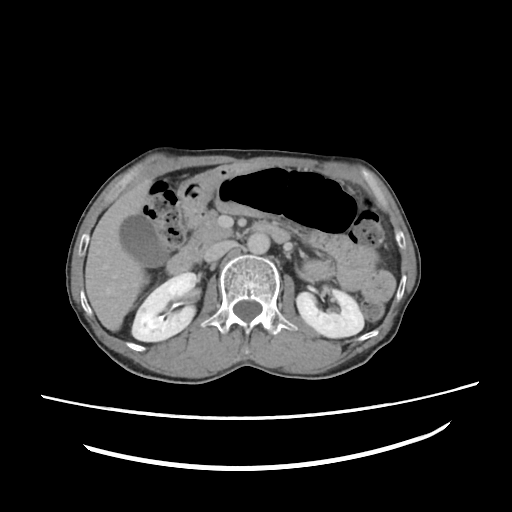
Computed tomography, abdomen. axial view. scan has 15 labeled organs (that count is for the whole scan; organs this slice misses have no box)
<organs><organ name="right kidney" x1="132" y1="273" x2="196" y2="341"/><organ name="left kidney" x1="297" y1="288" x2="363" y2="337"/><organ name="gall bladder" x1="120" y1="215" x2="164" y2="266"/><organ name="liver" x1="84" y1="177" x2="154" y2="331"/><organ name="stomach" x1="179" y1="162" x2="265" y2="215"/><organ name="aorta" x1="247" y1="232" x2="269" y2="253"/><organ name="inferior vena cava" x1="203" y1="240" x2="234" y2="262"/><organ name="pancreas" x1="182" y1="218" x2="234" y2="262"/><organ name="duodenum" x1="165" y1="210" x2="288" y2="273"/></organs>